CT abdomen · axial view · soft-tissue window (W 400 / L 40)
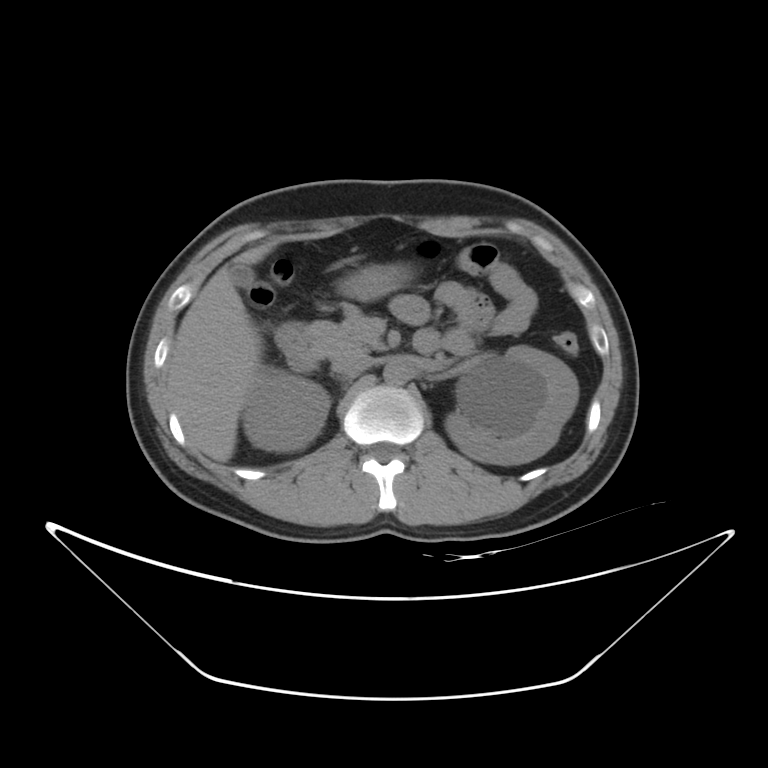
<organs><organ name="right kidney" x1="243" y1="367" x2="329" y2="451"/><organ name="left kidney" x1="445" y1="346" x2="579" y2="465"/><organ name="gall bladder" x1="230" y1="265" x2="255" y2="288"/><organ name="liver" x1="165" y1="244" x2="271" y2="461"/><organ name="stomach" x1="338" y1="263" x2="412" y2="300"/><organ name="aorta" x1="383" y1="360" x2="409" y2="385"/><organ name="inferior vena cava" x1="332" y1="351" x2="372" y2="375"/><organ name="pancreas" x1="307" y1="306" x2="384" y2="358"/><organ name="duodenum" x1="275" y1="321" x2="317" y2="372"/></organs>